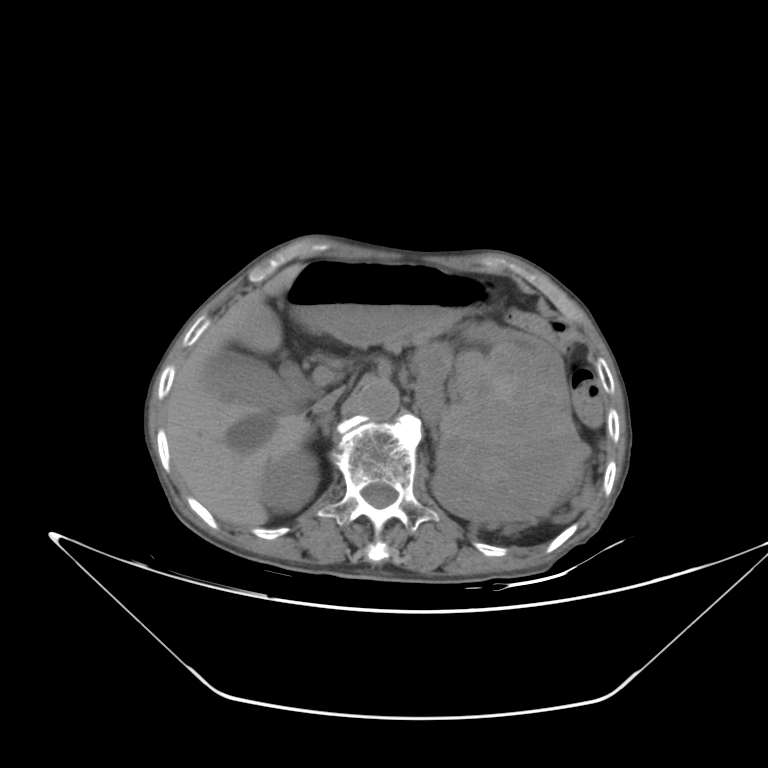
Computed tomography, abdomen — axial view — W/L 400/40 HU — 15 organs annotated in this scan (a whole-scan count: organs this slice does not pass through have no box)
Coordinates as <box>x1,y1,x2,y2</box> in pixels.
right kidney: <box>261,451,318,513</box>
left kidney: <box>412,318,591,523</box>
gall bladder: <box>202,352,321,412</box>
liver: <box>167,262,314,528</box>
stomach: <box>283,261,496,342</box>
aorta: <box>356,376,398,419</box>
inferior vena cava: <box>313,388,345,416</box>
pancreas: <box>381,308,474,348</box>
right adrenal gland: <box>313,411,337,443</box>
duodenum: <box>236,305,310,396</box>